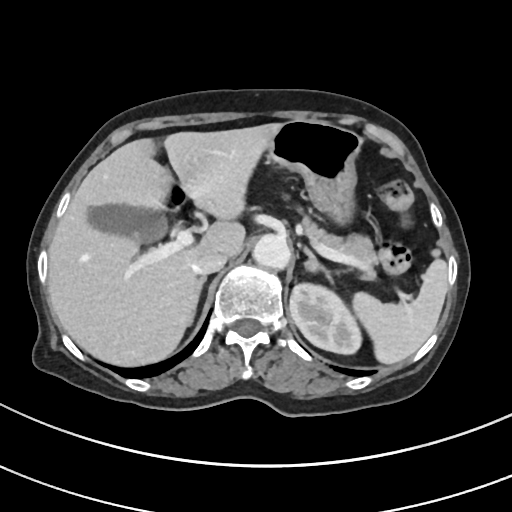 Computed tomography, abdomen. Axial slice 158/284. 15 organs annotated in this scan (counted over the whole 3D scan, not this slice; an organ is boxed only where this slice passes through it)
Boxes are (x1, y1, x2, y2) in pixels.
Organ bounding boxes:
- left adrenal gland: (305, 250, 334, 285)
- spleen: (351, 259, 447, 364)
- stomach: (269, 120, 360, 223)
- pancreas: (302, 219, 378, 281)
- liver: (48, 123, 282, 365)
- gall bladder: (87, 204, 164, 241)
- aorta: (253, 234, 291, 270)
- inferior vena cava: (193, 252, 227, 275)
- left kidney: (289, 283, 360, 353)
- right adrenal gland: (186, 277, 207, 327)